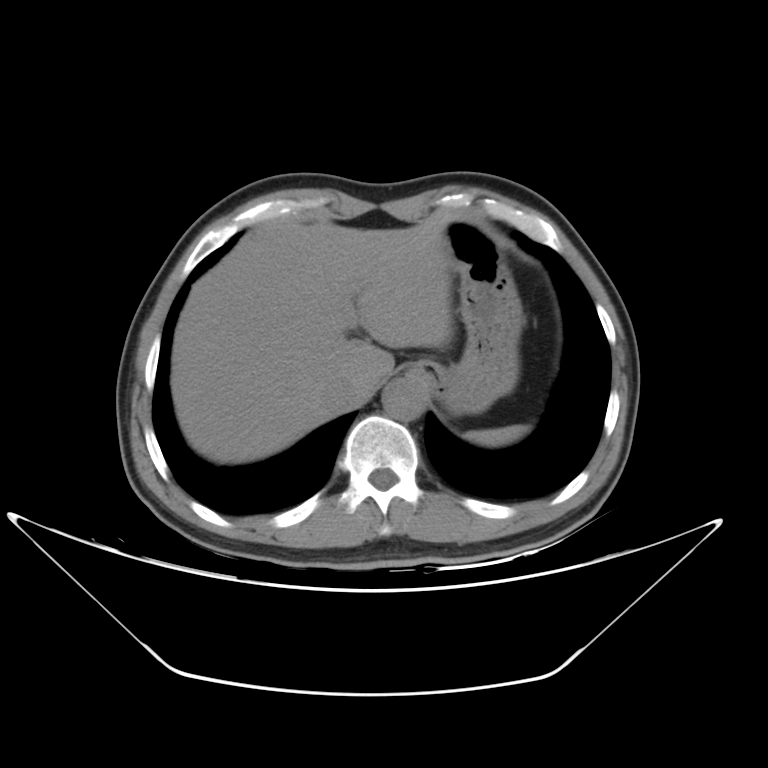

CT abdomen; axial plane, index 90; 768x768 px
Organ boxes in pixel coordinates; each row gives the top-left (x1, y1) and bottom-right (x2, y2) corners.
| organ | x1 | y1 | x2 | y2 |
|---|---|---|---|---|
| spleen | 465 | 424 | 528 | 446 |
| liver | 169 | 220 | 453 | 464 |
| stomach | 407 | 219 | 523 | 415 |
| aorta | 382 | 376 | 429 | 421 |
| inferior vena cava | 321 | 375 | 357 | 415 |